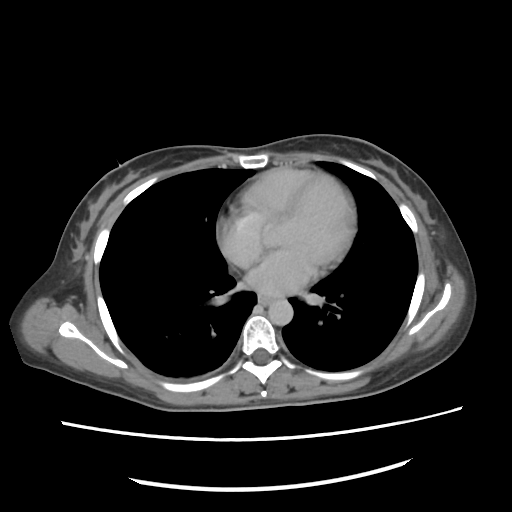

CT of the abdomen reaching into the lower chest, slice just above the liver and spleen; axial view; 512x512 px; acquired on Aquilion ONE
The heart and lungs are never labeled in this dataset, so they have no box on this slice.
{"organs":{"esophagus":[260,293,281,307],"aorta":[266,300,292,325]}}